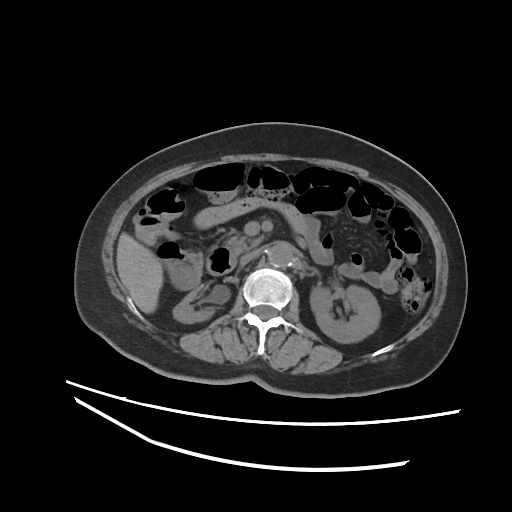

CT, abdomen/pelvis. axial view. 512x512 px
Bounding boxes as [x1, y1, x2, y2] in pixel coordinates. 7 labeled organs on this slice — right kidney at [173, 291, 214, 323]; left kidney at [310, 285, 380, 343]; liver at [116, 233, 163, 313]; aorta at [268, 243, 292, 267]; inferior vena cava at [240, 248, 261, 264]; pancreas at [225, 232, 263, 254]; duodenum at [206, 246, 237, 275].